CT, abdomen/pelvis; Axial slice 52/99; soft-tissue window; 768x768 px; Brilliance16 scanner
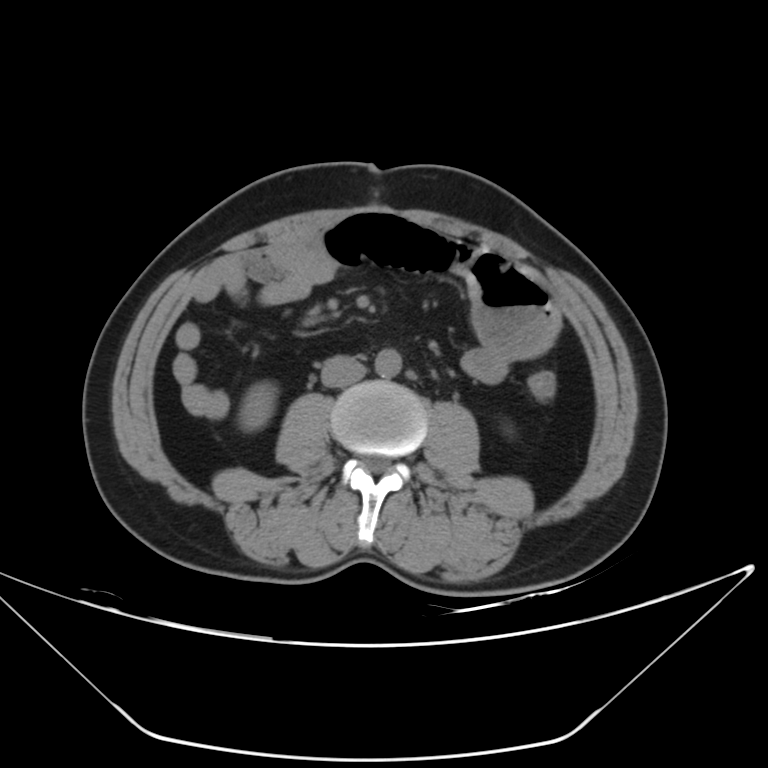
Coordinates as <box>x1,y1,x2,y2</box> in pixels.
right kidney: <box>239,383,276,431</box>
aorta: <box>375,349,401,377</box>
inferior vena cava: <box>321,356,365,387</box>